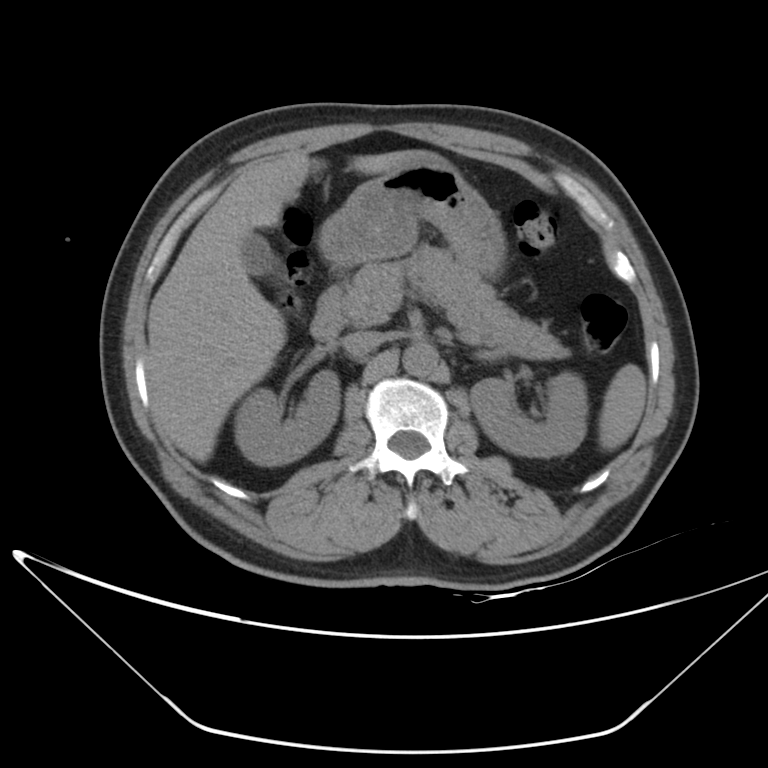 CT, abdomen/pelvis; axial view; soft-tissue window (W 400 / L 40)
Organ boxes in pixel coordinates; each row gives the top-left (x1, y1) and bottom-right (x2, y2) corners.
| organ | x1 | y1 | x2 | y2 |
|---|---|---|---|---|
| spleen | 599 | 363 | 647 | 450 |
| right kidney | 234 | 371 | 339 | 466 |
| left kidney | 470 | 372 | 588 | 457 |
| gall bladder | 242 | 233 | 276 | 276 |
| liver | 147 | 150 | 448 | 462 |
| stomach | 319 | 163 | 506 | 276 |
| aorta | 403 | 342 | 438 | 376 |
| inferior vena cava | 342 | 332 | 382 | 355 |
| pancreas | 334 | 243 | 570 | 359 |
| duodenum | 310 | 289 | 343 | 341 |